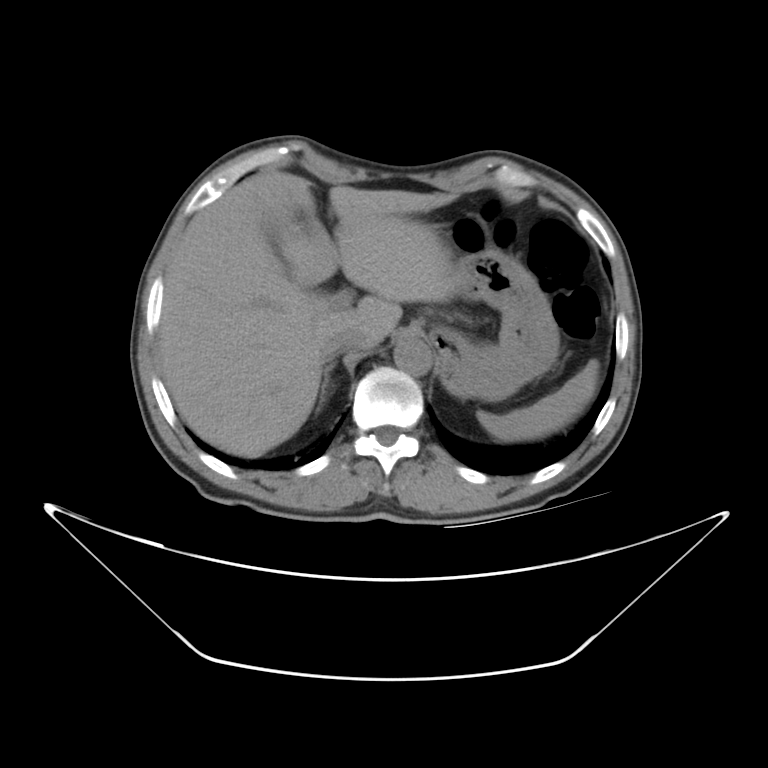 Computed tomography, abdomen; Axial slice 73/90; 59-year-old male patient; 15 organs annotated in this scan (a whole-scan count: organs this slice does not pass through have no box)
<organs><organ name="spleen" x1="473" y1="360" x2="598" y2="443"/><organ name="gall bladder" x1="259" y1="203" x2="280" y2="254"/><organ name="liver" x1="159" y1="168" x2="459" y2="453"/><organ name="stomach" x1="390" y1="251" x2="557" y2="401"/><organ name="aorta" x1="393" y1="338" x2="431" y2="374"/><organ name="inferior vena cava" x1="317" y1="326" x2="372" y2="359"/><organ name="right adrenal gland" x1="319" y1="363" x2="335" y2="401"/></organs>